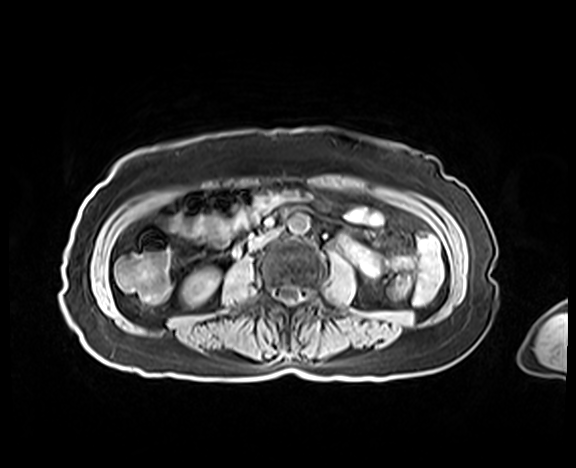 Abdominal MR; Axial slice 8/72; 1st–99th percentile window; scan has 12 labeled organs (counted over the whole 3D scan, not this slice; an organ is boxed only where this slice passes through it)
Boxes: x1:y1:x2:y2 in pixels. Labeled organs on this slice: right kidney at 182:267:219:306, aorta at 288:213:309:233, inferior vena cava at 249:230:277:249.